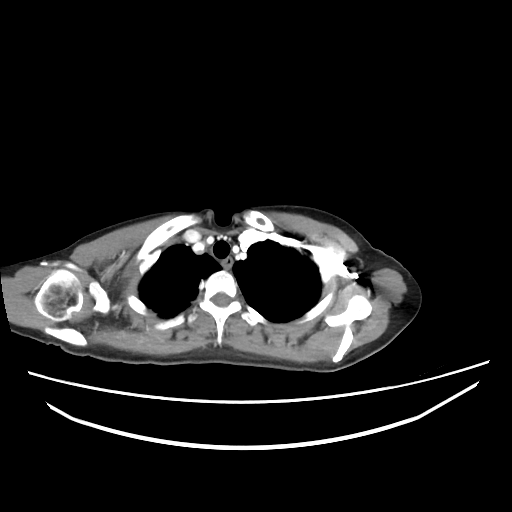 Abdominal CT reaching into the chest; this slice is in the chest — axial plane, index 108 — soft-tissue window
On a slice this high in the chest, this dataset labels only the esophagus and the aorta, and each is boxed only where it is labeled; the heart, lungs and other chest structures are not labeled.
Bounding boxes as [x1, y1, x2, y2] in pixel coordinates.
esophagus: [222, 256, 231, 269]